CT abdomen · axial view
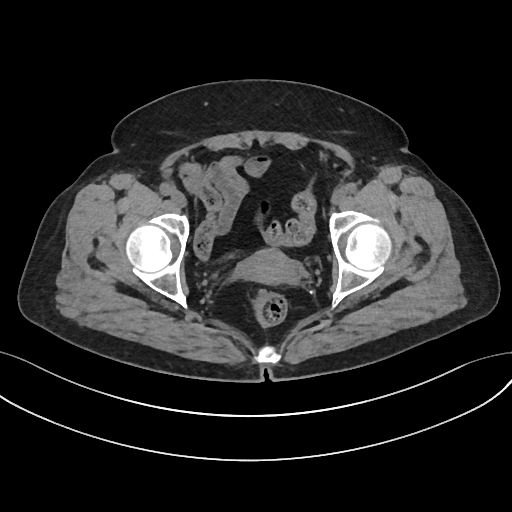

<organs><organ name="prostate/uterus" x1="239" y1="248" x2="294" y2="284"/></organs>